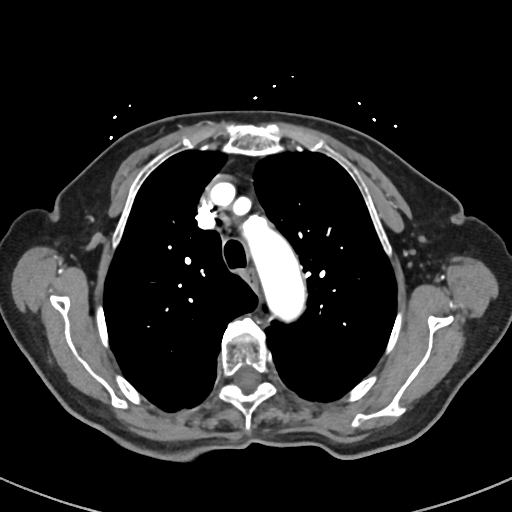 CT of the abdomen extending into the chest, slice through the chest. axial plane, index 243. W/L 400/40 HU. 15 organs annotated in this scan (counted over the whole 3D scan, not this slice; an organ is boxed only where this slice passes through it)
At this level of the chest this dataset labels only the esophagus and the aorta, and each is boxed only where it is labeled; the heart and lungs are never labeled.
{"organs":{"esophagus":[246,270,257,286],"aorta":[237,214,307,326]}}